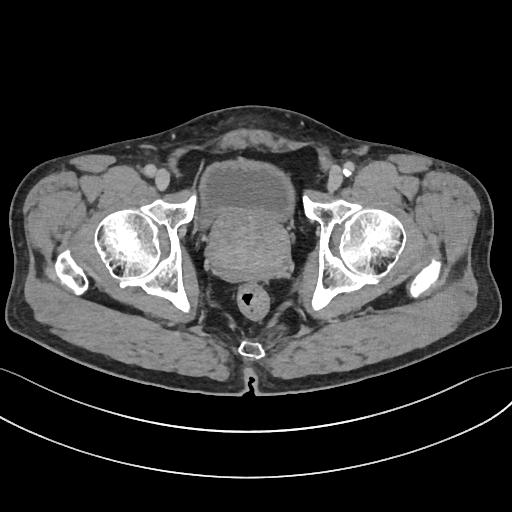

Computed tomography, abdomen · axial view · soft-tissue window · 512x512 px
Boxes are (x1, y1, x2, y2) in pixels. 2 labeled organs on this slice — bladder at (199, 161, 294, 222); prostate/uterus at (210, 210, 288, 280).